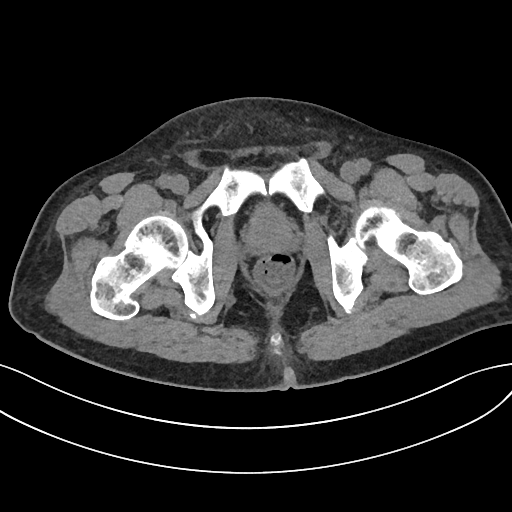
Computed tomography, abdomen — axial view — 512x512 px
Boxes: x1 y1 x2 y2 (pixel coords, space-separated). Labeled organs on this slice: prostate/uterus at 247 212 293 253.